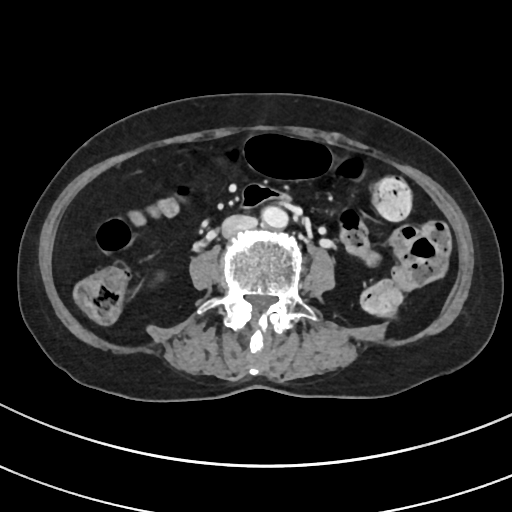

Computed tomography, abdomen. axial view. W/L 400/40 HU. 512x512 px. 15 organs annotated in this scan (counted over the whole 3D scan, not this slice; an organ is boxed only where this slice passes through it)
{"organs":{"inferior vena cava":[221,215,257,237],"aorta":[262,206,288,228]}}